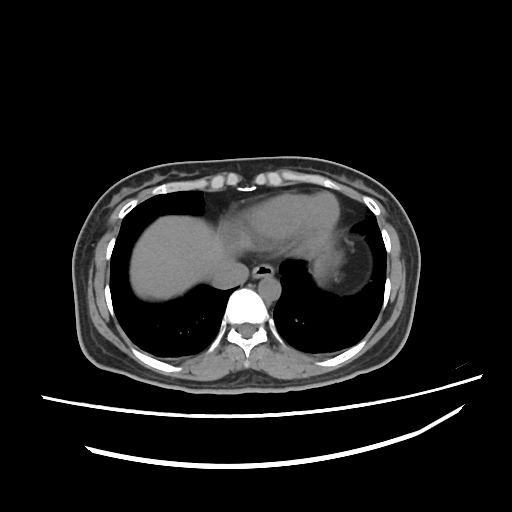 CT abdomen · axial view · W/L 400/40 HU · 512x512 px
Each box given as x1,y1,x2,y2. 5 labeled organs on this slice — esophagus at x1=253, y1=263, x2=273, y2=279; liver at x1=130, y1=215, x2=235, y2=299; stomach at x1=311, y1=246, x2=340, y2=279; aorta at x1=258, y1=275, x2=281, y2=299; inferior vena cava at x1=211, y1=259, x2=248, y2=289.